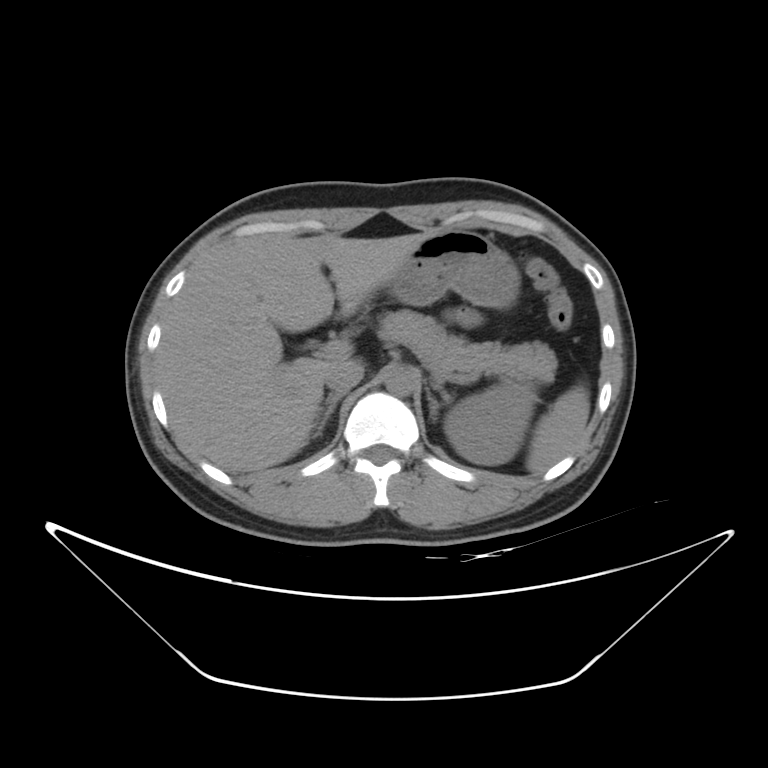
CT, abdomen/pelvis — Axial slice 81/97 — 25-year-old male patient — scan has 15 labeled organs (that count is for the whole scan; organs this slice misses have no box)
Box edges are left/top/right/bottom in pixels.
aorta: left=385, top=367, right=416, bottom=397
right adrenal gland: left=314, top=394, right=344, bottom=437
spleen: left=527, top=385, right=589, bottom=471
left kidney: left=444, top=382, right=536, bottom=465
left adrenal gland: left=426, top=389, right=439, bottom=422
stomach: left=387, top=230, right=519, bottom=309
inferior vena cava: left=324, top=361, right=363, bottom=394
pancreas: left=378, top=308, right=557, bottom=385
liver: left=156, top=231, right=431, bottom=471